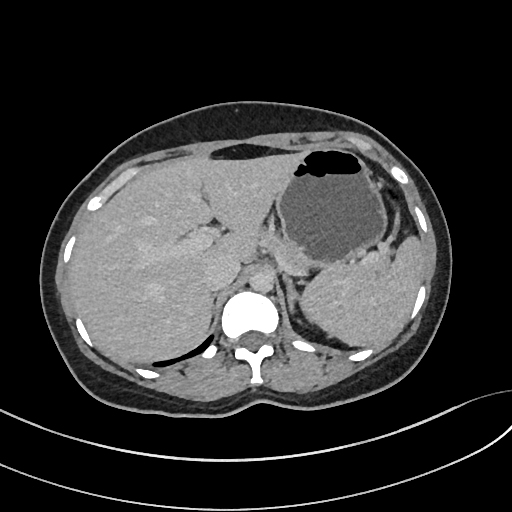

Computed tomography, abdomen · axial plane, index 172 · abdomen soft-tissue window · SOMATOM Force scanner
One row per box, in pixels: columns x1 and y1 give the top-left corner, x2 and y2 the bottom-right.
| organ | x1 | y1 | x2 | y2 |
|---|---|---|---|---|
| aorta | 249 | 270 | 273 | 292 |
| left adrenal gland | 284 | 275 | 298 | 313 |
| stomach | 275 | 147 | 387 | 271 |
| liver | 69 | 152 | 303 | 362 |
| spleen | 301 | 236 | 424 | 346 |
| pancreas | 265 | 234 | 387 | 266 |
| inferior vena cava | 204 | 257 | 239 | 290 |